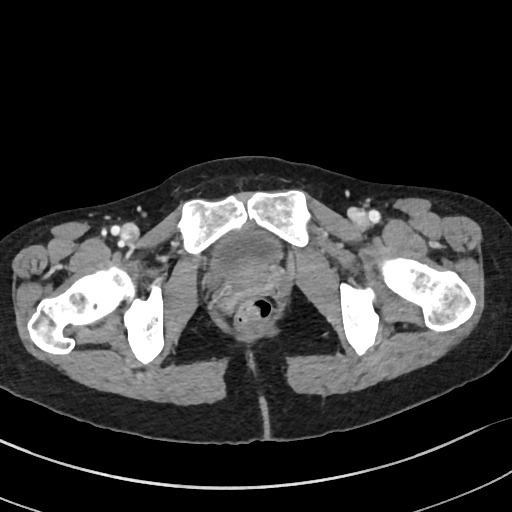

Abdominal CT · axial plane, index 13 · abdomen soft-tissue window · 512x512 px · SOMATOM Force scanner
Boxes are (x1, y1, x2, y2) in pixels.
Organ bounding boxes:
- bladder: (211, 229, 280, 280)